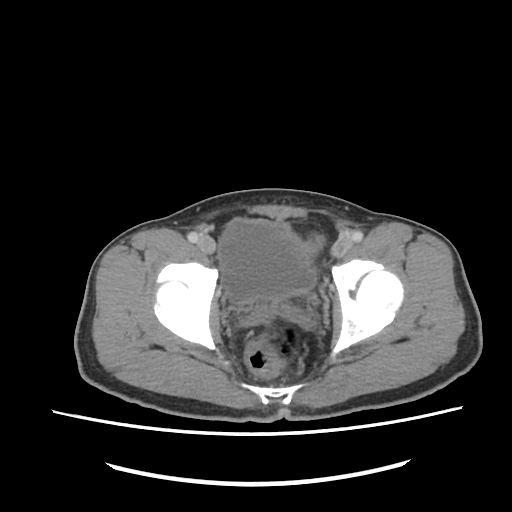
Computed tomography, abdomen. axial view. W/L 400/40 HU. 512x512 px. 54-year-old male patient. acquired on Aquilion ONE. 15 organs annotated in this scan (that count is for the whole scan; organs this slice misses have no box)
Boxes are (x1, y1, x2, y2) in pixels.
bladder: (218, 218, 315, 303)